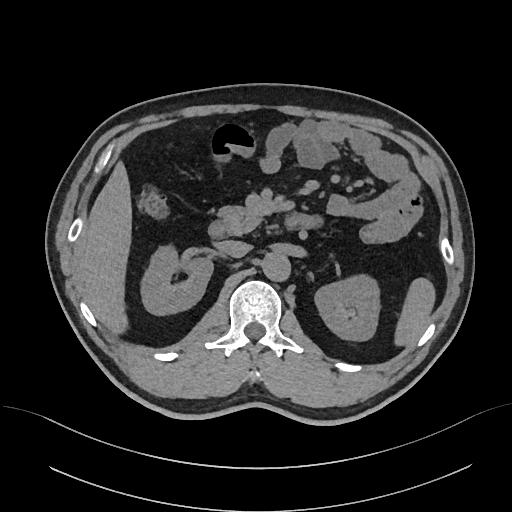

CT abdomen. axial view. 512x512 px. scan has 15 labeled organs (that count is for the whole scan; organs this slice misses have no box)
Each box given as x1,y1,x2,y2.
Organ bounding boxes:
- spleen: x1=394, y1=278, x2=435, y2=347
- right kidney: x1=142, y1=248, x2=213, y2=315
- left kidney: x1=315, y1=276, x2=378, y2=341
- liver: x1=77, y1=160, x2=132, y2=335
- aorta: x1=261, y1=253, x2=291, y2=282
- inferior vena cava: x1=219, y1=240, x2=251, y2=258
- pancreas: x1=216, y1=205, x2=263, y2=235
- duodenum: x1=207, y1=214, x2=308, y2=239